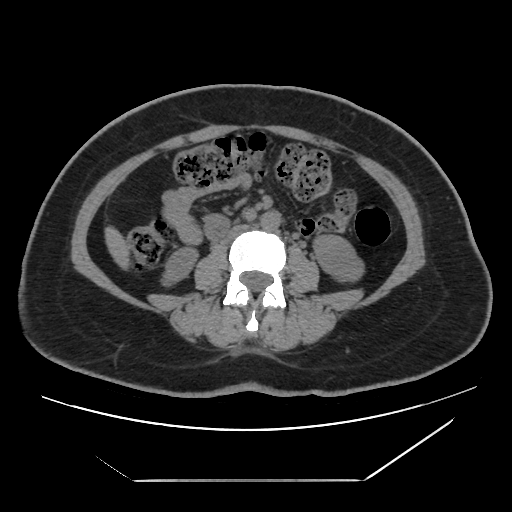

Computed tomography, abdomen · axial view · acquired on SOMATOM Force · scan has 15 labeled organs (counted over the whole 3D scan, not this slice; an organ is boxed only where this slice passes through it)
Box edges are left/top/right/bottom in pixels.
Organ bounding boxes:
- inferior vena cava: left=223, top=224, right=249, bottom=242
- liver: left=106, top=226, right=129, bottom=264
- aorta: left=261, top=211, right=280, bottom=231
- left kidney: left=311, top=234, right=366, bottom=284
- right kidney: left=162, top=246, right=197, bottom=287